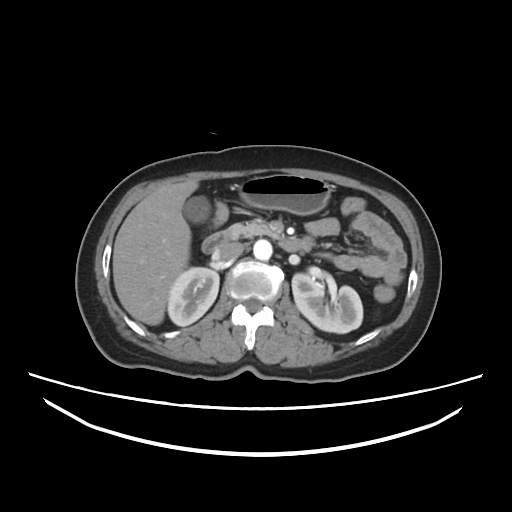

Abdominal CT. axial view. W/L 400/40 HU. 512x512 px. 62-year-old female patient. 15 organs annotated in this scan (a whole-scan count: organs this slice does not pass through have no box)
{"organs":{"liver":[112,182,198,324],"right kidney":[167,268,219,326],"pancreas":[230,220,277,241],"inferior vena cava":[217,243,243,261],"left kidney":[290,274,362,333],"gall bladder":[181,194,212,225],"aorta":[253,240,271,261],"duodenum":[204,229,314,255],"stomach":[236,173,333,214]}}